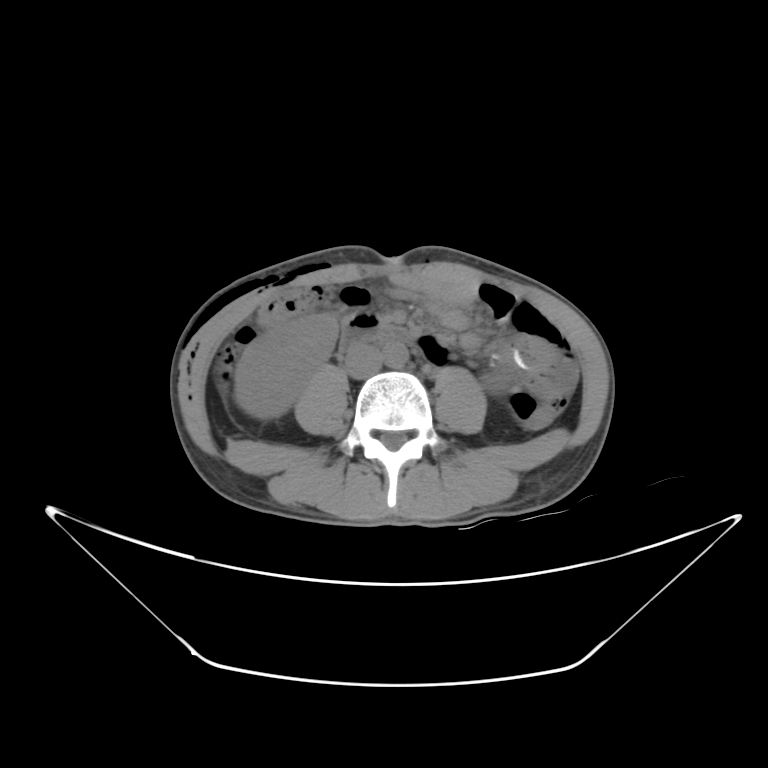 Abdominal CT. axial view. W/L 400/40 HU. 33-year-old male patient. scan has 15 labeled organs (a whole-scan count: organs this slice does not pass through have no box)
<organs><organ name="aorta" x1="383" y1="343" x2="413" y2="368"/><organ name="inferior vena cava" x1="344" y1="348" x2="379" y2="379"/><organ name="duodenum" x1="377" y1="327" x2="410" y2="338"/><organ name="left kidney" x1="482" y1="372" x2="509" y2="392"/><organ name="right kidney" x1="233" y1="313" x2="338" y2="416"/></organs>